Abdominal CT; this slice is in the lower chest, just above the liver · axial view · soft-tissue window, W/L 400/40 · 68-year-old male patient · acquired on Aquilion ONE
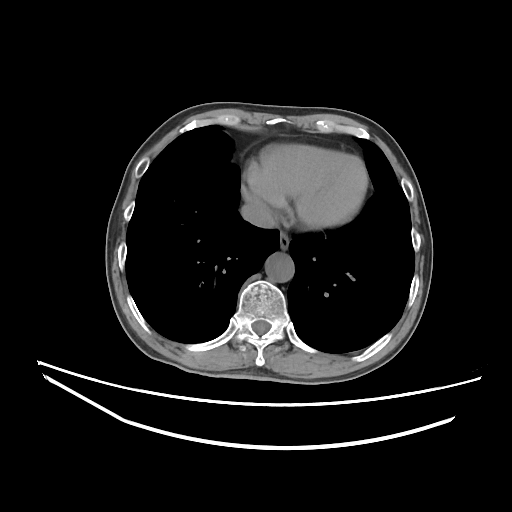 The heart and lungs are never labeled in this dataset, so they have no box on this slice.
One row per box, in pixels: columns x1 and y1 give the top-left corner, x2 and y2 the bottom-right.
| organ | x1 | y1 | x2 | y2 |
|---|---|---|---|---|
| esophagus | 279 | 232 | 289 | 249 |
| aorta | 265 | 252 | 294 | 282 |
| inferior vena cava | 241 | 201 | 275 | 227 |